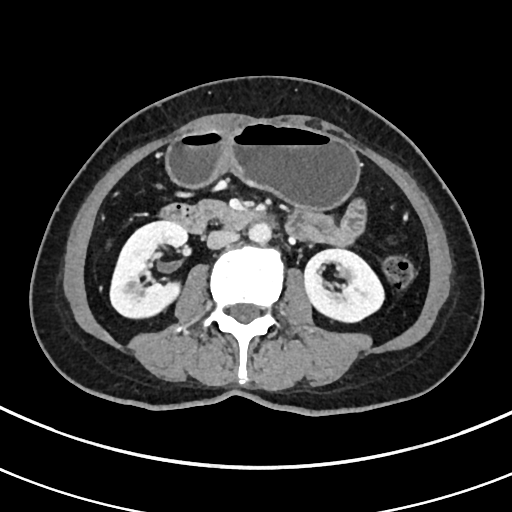

CT, abdomen/pelvis. Axial slice 114/192
<organs><organ name="aorta" x1="248" y1="222" x2="271" y2="243"/><organ name="duodenum" x1="161" y1="204" x2="266" y2="233"/><organ name="left kidney" x1="304" y1="249" x2="383" y2="322"/><organ name="inferior vena cava" x1="207" y1="229" x2="238" y2="248"/><organ name="right kidney" x1="110" y1="220" x2="187" y2="318"/><organ name="stomach" x1="165" y1="122" x2="358" y2="211"/><organ name="pancreas" x1="199" y1="200" x2="225" y2="215"/></organs>